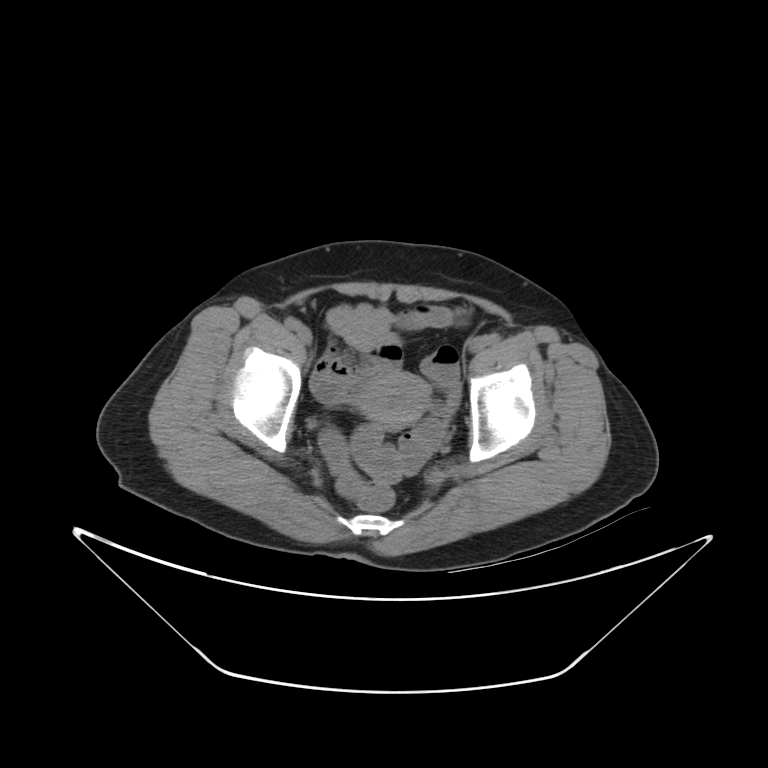
CT, abdomen/pelvis · axial view · soft-tissue window (W 400 / L 40) · 768x768 px
<organs><organ name="prostate/uterus" x1="359" y1="372" x2="430" y2="428"/></organs>